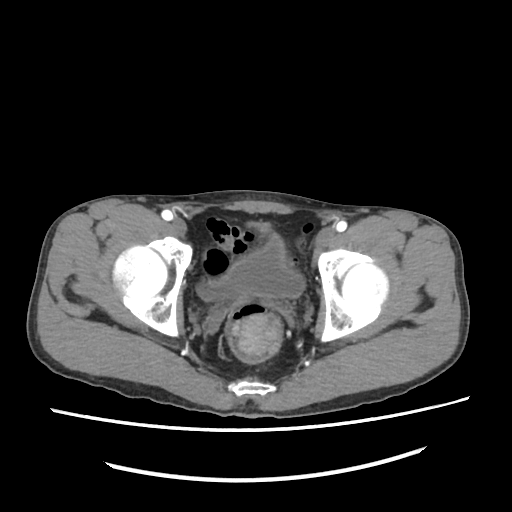 Computed tomography, abdomen; axial plane, index 22; soft-tissue window
{"organs":{"bladder":[197,234,304,300]}}